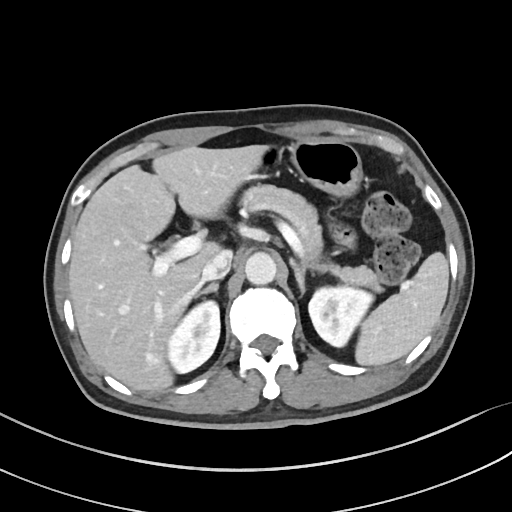 Computed tomography, abdomen; axial view; W/L 400/40 HU; 512x512 px
<organs><organ name="spleen" x1="355" y1="252" x2="448" y2="365"/><organ name="aorta" x1="245" y1="252" x2="276" y2="284"/><organ name="liver" x1="68" y1="145" x2="267" y2="391"/><organ name="left adrenal gland" x1="290" y1="258" x2="307" y2="294"/><organ name="inferior vena cava" x1="201" y1="250" x2="232" y2="280"/><organ name="right kidney" x1="167" y1="301" x2="220" y2="373"/><organ name="right adrenal gland" x1="196" y1="283" x2="219" y2="296"/><organ name="pancreas" x1="240" y1="184" x2="382" y2="291"/><organ name="left kidney" x1="308" y1="286" x2="373" y2="346"/><organ name="stomach" x1="261" y1="140" x2="362" y2="196"/></organs>